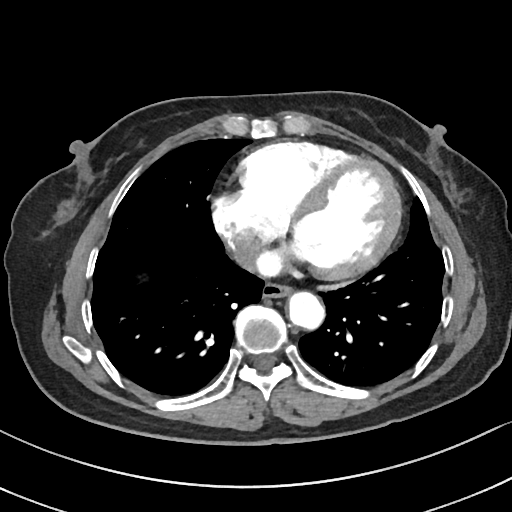
Abdominal CT; this slice is in the lower chest, just above the liver; axial view
The heart and lungs are never labeled in this dataset, so they have no box on this slice.
Boxes: x1 y1 x2 y2 (pixel coords, space-separated).
Organ bounding boxes:
- aorta: 289 293 325 330
- esophagus: 262 285 293 298